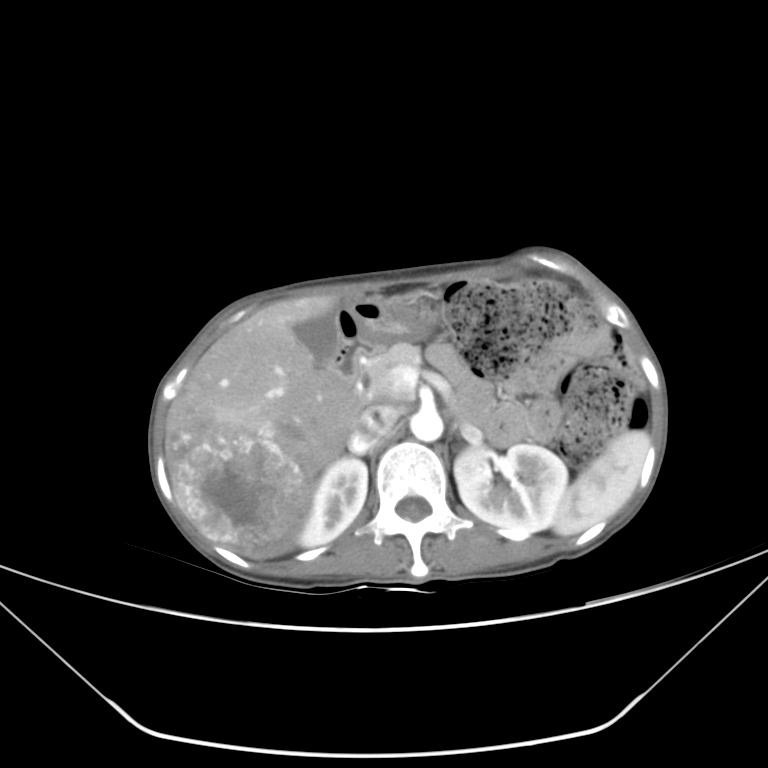

CT abdomen. axial view. W/L 400/40 HU. 768x768 px. 32-year-old female patient. scan has 15 labeled organs (counted over the whole 3D scan, not this slice; an organ is boxed only where this slice passes through it)
One row per box, in pixels: columns x1 and y1 give the top-left corner, x2 and y2 the bottom-right.
| organ | x1 | y1 | x2 | y2 |
|---|---|---|---|---|
| spleen | 552 | 430 | 650 | 536 |
| right kidney | 298 | 458 | 367 | 546 |
| left kidney | 454 | 444 | 567 | 535 |
| gall bladder | 295 | 311 | 340 | 365 |
| liver | 166 | 295 | 359 | 557 |
| stomach | 339 | 293 | 436 | 346 |
| aorta | 410 | 409 | 443 | 441 |
| inferior vena cava | 347 | 408 | 397 | 452 |
| pancreas | 362 | 342 | 421 | 403 |
| duodenum | 327 | 338 | 361 | 393 |